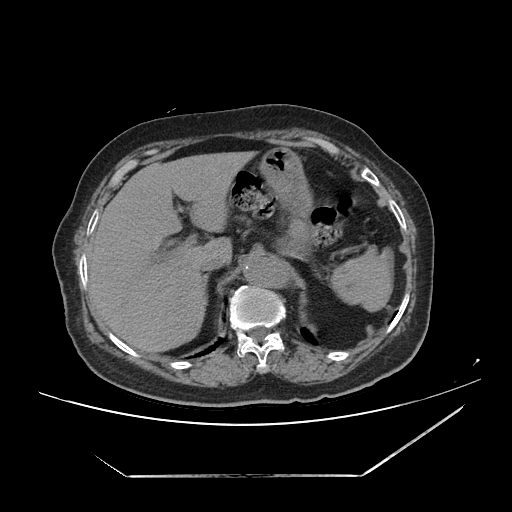
CT, abdomen/pelvis. Axial slice 131/163. SOMATOM Force scanner
Box edges are left/top/right/bottom in pixels.
spleen: left=330, top=247, right=393, bottom=311
liver: left=89, top=151, right=257, bottom=352
stomach: left=259, top=147, right=313, bottom=257
aorta: left=243, top=256, right=285, bottom=287
inferior vena cava: left=199, top=255, right=226, bottom=271
right adrenal gland: left=204, top=274, right=208, bottom=286